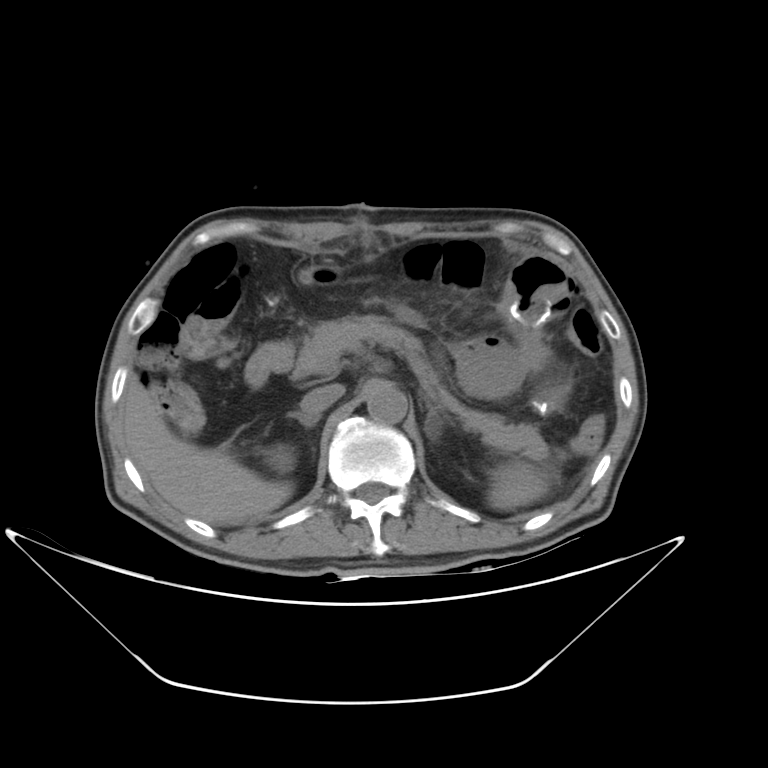
CT, abdomen/pelvis; Axial slice 73/104; 768x768 px; acquired on Brilliance16
<organs><organ name="inferior vena cava" x1="300" y1="384" x2="344" y2="414"/><organ name="aorta" x1="366" y1="383" x2="407" y2="424"/><organ name="spleen" x1="487" y1="460" x2="556" y2="510"/><organ name="pancreas" x1="271" y1="315" x2="547" y2="459"/><organ name="right kidney" x1="254" y1="442" x2="295" y2="473"/><organ name="stomach" x1="457" y1="343" x2="524" y2="395"/><organ name="liver" x1="123" y1="376" x2="293" y2="522"/><organ name="right adrenal gland" x1="290" y1="412" x2="321" y2="428"/><organ name="left adrenal gland" x1="425" y1="398" x2="439" y2="440"/><organ name="duodenum" x1="244" y1="342" x2="293" y2="387"/></organs>